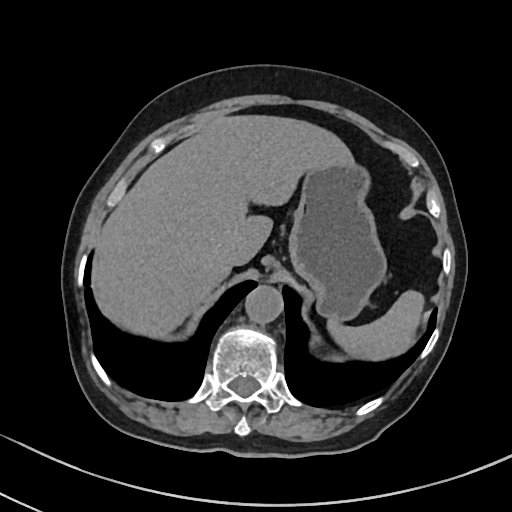
Abdominal CT; axial plane, index 168; soft-tissue window (W 400 / L 40); scan has 15 labeled organs (a whole-scan count: organs this slice does not pass through have no box)
Box edges are left/top/right/bottom in pixels.
spleen: left=327, top=290, right=424, bottom=360
liver: left=92, top=115, right=353, bottom=337
stomach: left=288, top=161, right=386, bottom=320
aorta: left=245, top=285, right=283, bottom=323
inferior vena cava: left=222, top=244, right=241, bottom=266